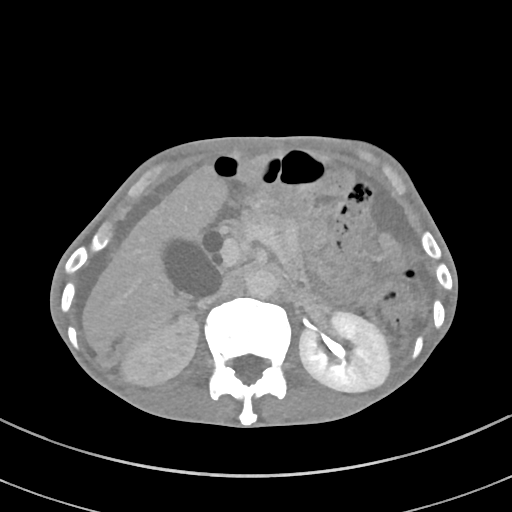
CT, abdomen/pelvis. axial plane, index 62. 512x512 px. acquired on SOMATOM Force. 15 organs annotated in this scan (counted over the whole 3D scan, not this slice; an organ is boxed only where this slice passes through it)
Organ boxes in pixel coordinates; each row gives the top-left (x1, y1) and bottom-right (x2, y2) corners.
| organ | x1 | y1 | x2 | y2 |
|---|---|---|---|---|
| gall bladder | 162 | 237 | 223 | 299 |
| duodenum | 211 | 200 | 241 | 227 |
| liver | 83 | 156 | 269 | 347 |
| left kidney | 299 | 312 | 389 | 392 |
| pancreas | 242 | 200 | 312 | 294 |
| aorta | 244 | 267 | 277 | 298 |
| right kidney | 121 | 315 | 198 | 385 |
| spleen | 379 | 233 | 401 | 254 |